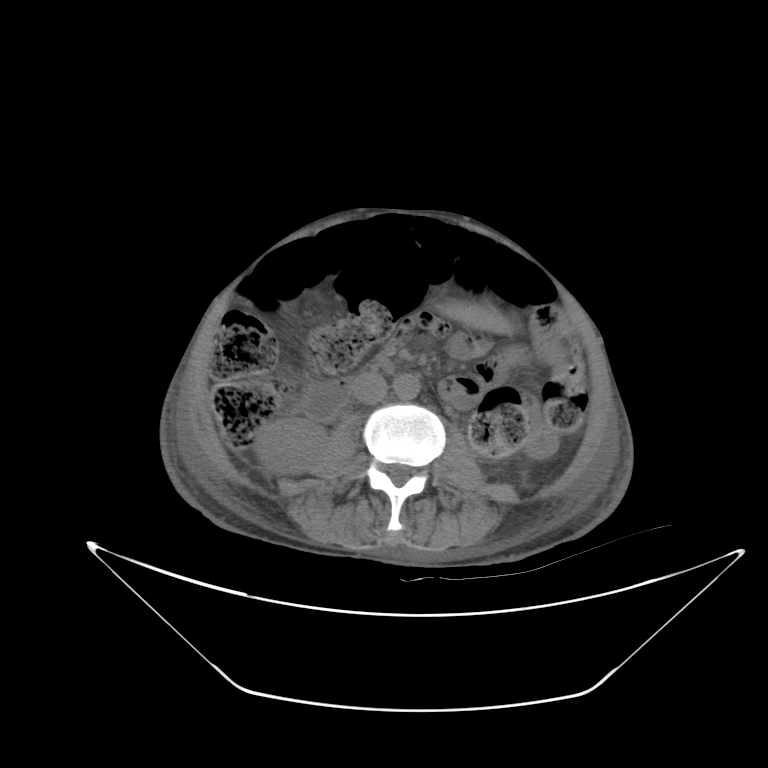 Computed tomography, abdomen; axial plane, index 52; soft-tissue window; 56-year-old male patient
One row per box, in pixels: columns x1 and y1 give the top-left corner, x2 and y2 the bottom-right.
| organ | x1 | y1 | x2 | y2 |
|---|---|---|---|---|
| right kidney | 254 | 416 | 327 | 474 |
| liver | 442 | 301 | 515 | 334 |
| aorta | 393 | 373 | 420 | 400 |
| inferior vena cava | 352 | 372 | 387 | 404 |